Abdominal MR · axial plane, index 25
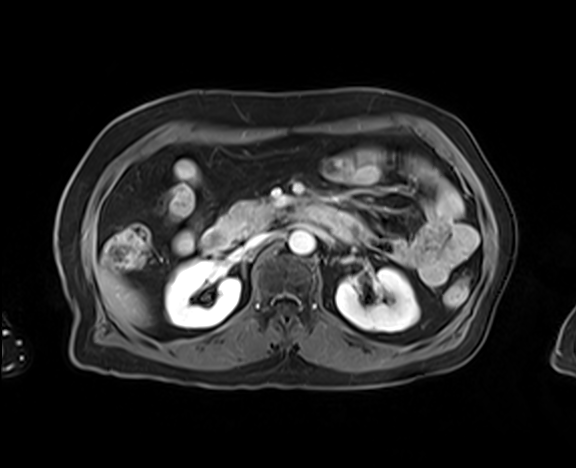 Each box given as x1,y1,x2,y2. Labeled organs on this slice: duodenum at x1=201, y1=207, x2=316, y2=253, inferior vena cava at x1=245, y1=233, x2=270, y2=248, left kidney at x1=335, y1=268, x2=419, y2=331, right kidney at x1=165, y1=259, x2=241, y2=327, aorta at x1=288, y1=231, x2=315, y2=254, pancreas at x1=218, y1=201, x2=279, y2=233, liver at x1=95, y1=265, x2=149, y2=326.